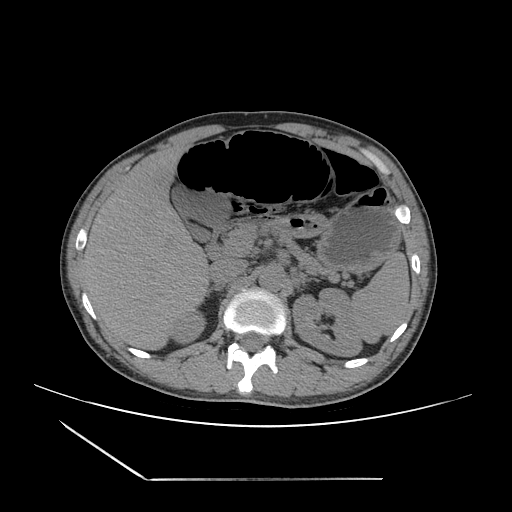

CT abdomen. axial plane, index 132. 15 organs annotated in this scan (counted over the whole 3D scan, not this slice; an organ is boxed only where this slice passes through it)
<organs><organ name="spleen" x1="352" y1="252" x2="409" y2="342"/><organ name="right kidney" x1="171" y1="311" x2="203" y2="345"/><organ name="left kidney" x1="293" y1="287" x2="363" y2="356"/><organ name="gall bladder" x1="171" y1="188" x2="226" y2="242"/><organ name="liver" x1="82" y1="144" x2="208" y2="350"/><organ name="stomach" x1="288" y1="188" x2="399" y2="268"/><organ name="aorta" x1="258" y1="267" x2="285" y2="291"/><organ name="inferior vena cava" x1="209" y1="258" x2="247" y2="284"/><organ name="pancreas" x1="232" y1="221" x2="340" y2="279"/><organ name="right adrenal gland" x1="206" y1="284" x2="222" y2="291"/><organ name="left adrenal gland" x1="298" y1="274" x2="321" y2="283"/><organ name="duodenum" x1="207" y1="215" x2="283" y2="257"/></organs>